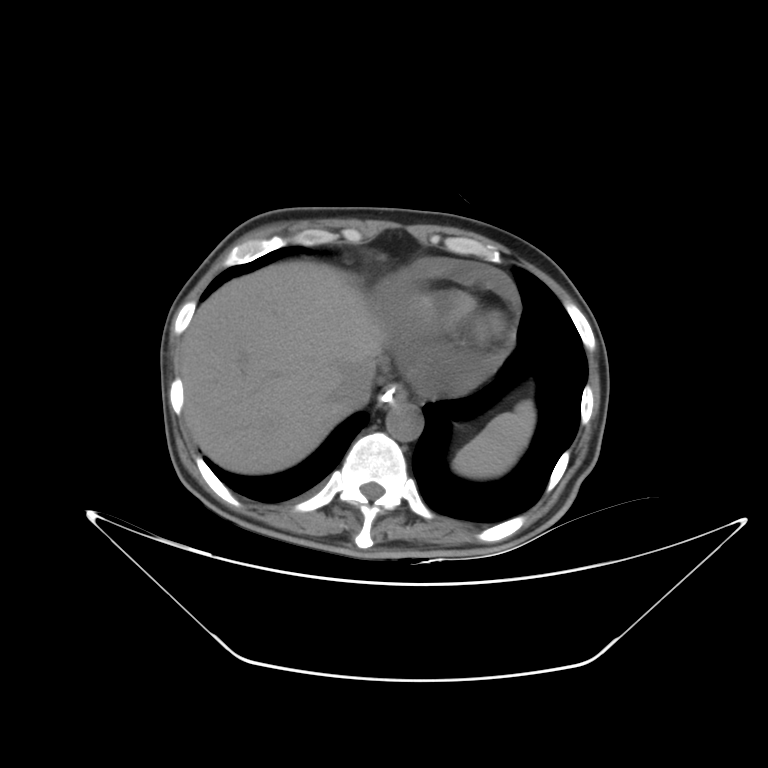 CT, abdomen/pelvis · axial plane, index 87
Bounding boxes as [x1, y1, x2, y2] in pixel coordinates.
spleen: [453, 400, 535, 478]
esophagus: [382, 385, 407, 405]
liver: [180, 260, 386, 473]
aorta: [386, 401, 423, 441]
inferior vena cava: [333, 360, 375, 410]